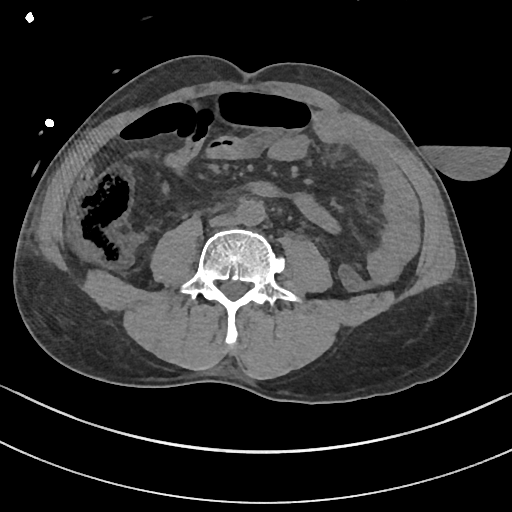 CT, abdomen/pelvis — axial view
Coordinates as <box>x1,y1,x2,y2</box> in pixels. Labeled organs on this slice: aorta at <box>237,199,265,225</box>, inferior vena cava at <box>210,214,237,226</box>.